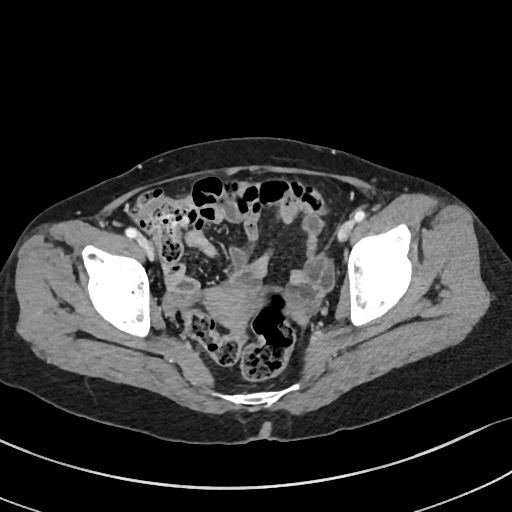 Computed tomography, abdomen — axial view — 15 organs annotated in this scan (a whole-scan count: organs this slice does not pass through have no box)
Boxes: x1:y1:x2:y2 in pixels.
prostate/uterus: 205:285:259:328